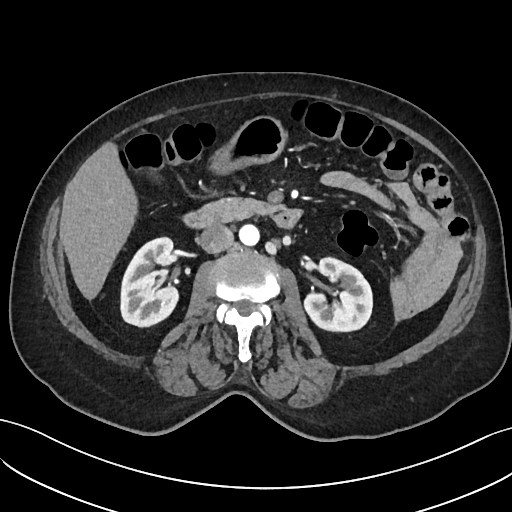

CT abdomen — axial view — soft-tissue window (W 400 / L 40) — 512x512 px
Boxes: x1:y1:x2:y2 in pixels.
Organ bounding boxes:
- right kidney: 121:238:179:327
- left kidney: 304:259:372:332
- gall bladder: 145:163:163:182
- liver: 59:142:138:302
- stomach: 212:116:284:171
- aorta: 239:225:260:246
- inferior vena cava: 199:225:233:253
- pancreas: 195:198:276:221
- duodenum: 182:210:300:230